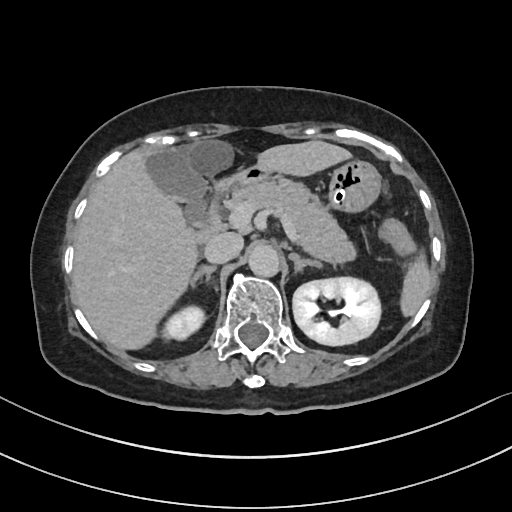
Computed tomography, abdomen · axial view
Boxes: x1:y1:x2:y2 in pixels.
Organ bounding boxes:
- spleen: 401:260:430:315
- right kidney: 164:305:205:340
- left kidney: 292:276:382:345
- gall bladder: 145:149:207:215
- liver: 72:139:350:349
- stomach: 329:159:381:211
- aorta: 248:243:280:275
- inferior vena cava: 204:232:243:263
- pancreas: 224:181:354:262
- right adrenal gland: 190:264:216:284
- left adrenal gland: 289:252:321:269
- duodenum: 195:161:277:242